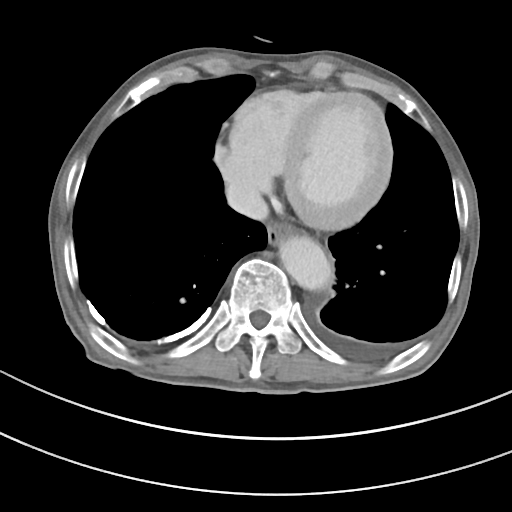

Lower-chest slice from an abdominal CT, just above the liver and spleen; axial view; soft-tissue window, W/L 400/40; 512x512 px
Of the structures in the chest, this dataset labels only the esophagus, the aorta and the inferior vena cava; the heart and lungs have no label.
Bounding boxes in pixels, one row per box: x1, y1 is the top-left corner and x2, y2 the bottom-right.
| organ | x1 | y1 | x2 | y2 |
|---|---|---|---|---|
| esophagus | 266 | 222 | 289 | 246 |
| aorta | 279 | 236 | 332 | 290 |
| inferior vena cava | 225 | 182 | 268 | 220 |